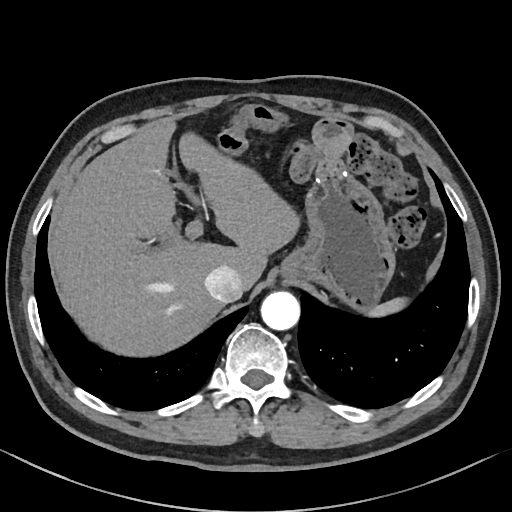 Abdominal CT. axial view. soft-tissue window (W 400 / L 40)
<organs><organ name="stomach" x1="280" y1="169" x2="395" y2="309"/><organ name="spleen" x1="367" y1="297" x2="408" y2="317"/><organ name="aorta" x1="260" y1="291" x2="300" y2="330"/><organ name="liver" x1="50" y1="121" x2="300" y2="356"/><organ name="inferior vena cava" x1="204" y1="266" x2="242" y2="303"/></organs>